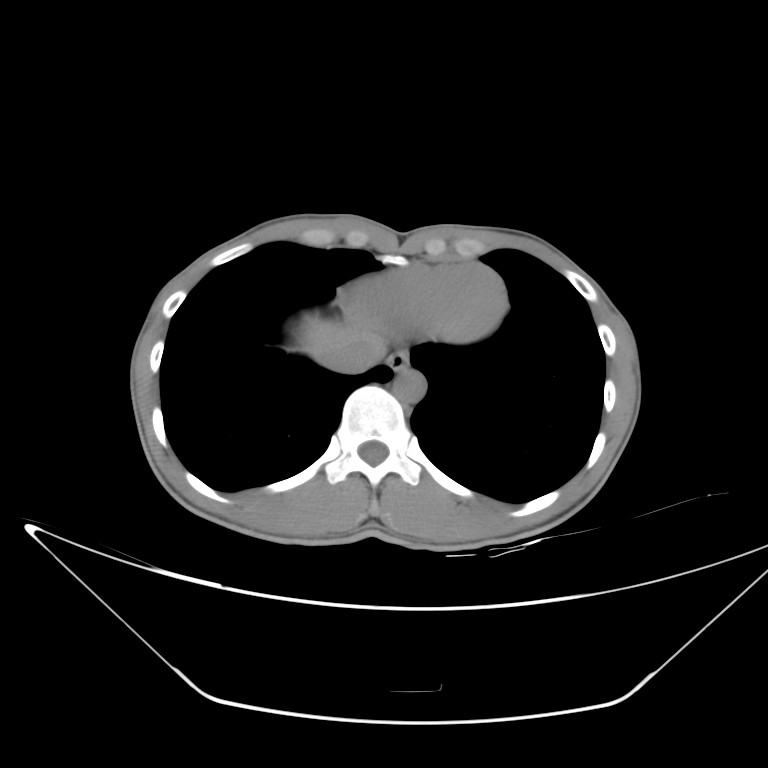 CT abdomen · Axial slice 73/74 · abdomen soft-tissue window
Each box given as x1,y1,x2,y2.
aorta: x1=393, y1=368, x2=426, y2=402
liver: x1=293, y1=312, x2=368, y2=361
esophagus: x1=387, y1=350, x2=409, y2=371
inferior vena cava: x1=321, y1=330, x2=386, y2=373